CT abdomen — Axial slice 69/95 — W/L 400/40 HU — 768x768 px
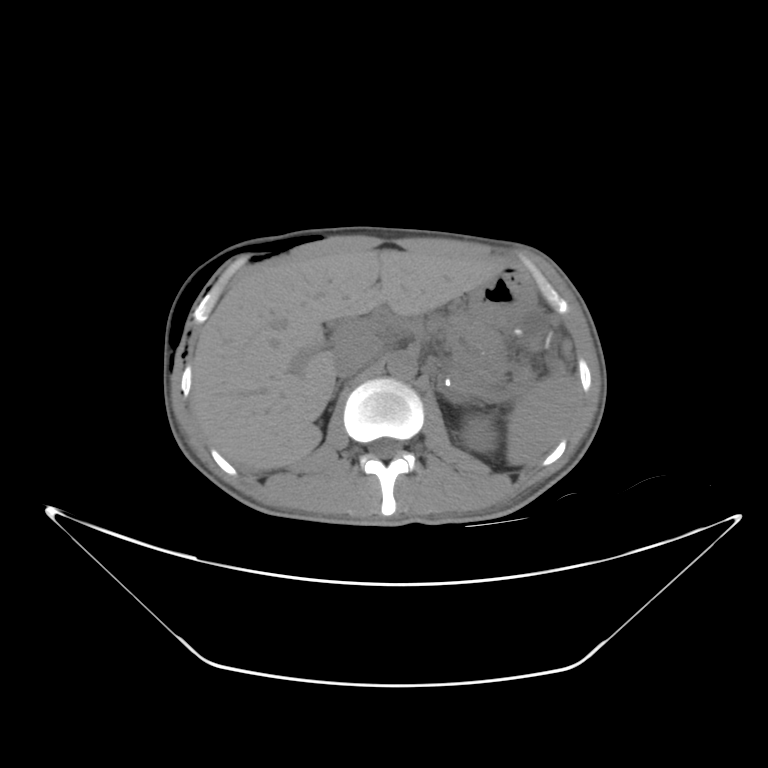

Boxes are (x1, y1, x2, y2) in pixels. 8 labeled organs on this slice — spleen at (505, 378, 578, 465); left kidney at (460, 416, 496, 449); liver at (192, 248, 510, 472); stomach at (470, 268, 533, 330); aorta at (386, 353, 415, 381); inferior vena cava at (330, 336, 385, 375); pancreas at (449, 314, 506, 374); right adrenal gland at (332, 380, 345, 397).